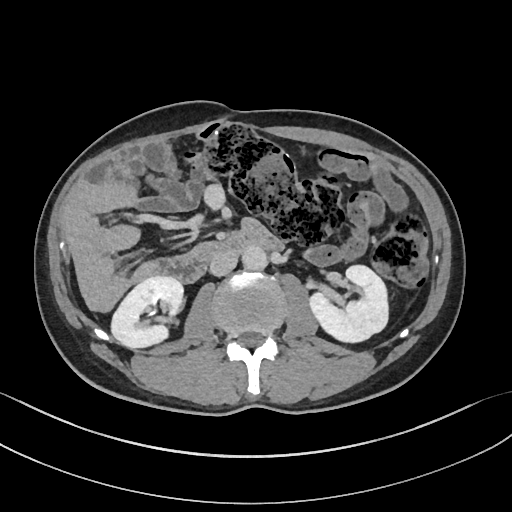
CT, abdomen/pelvis — axial view — 512x512 px
Organ boxes in pixel coordinates; each row gives the top-left (x1, y1) and bottom-right (x2, y2) corners.
| organ | x1 | y1 | x2 | y2 |
|---|---|---|---|---|
| right kidney | 109 | 276 | 182 | 348 |
| left kidney | 308 | 265 | 390 | 343 |
| aorta | 242 | 246 | 268 | 271 |
| inferior vena cava | 209 | 251 | 237 | 276 |
| duodenum | 149 | 230 | 281 | 282 |